CT, abdomen/pelvis. axial view. 56-year-old male patient
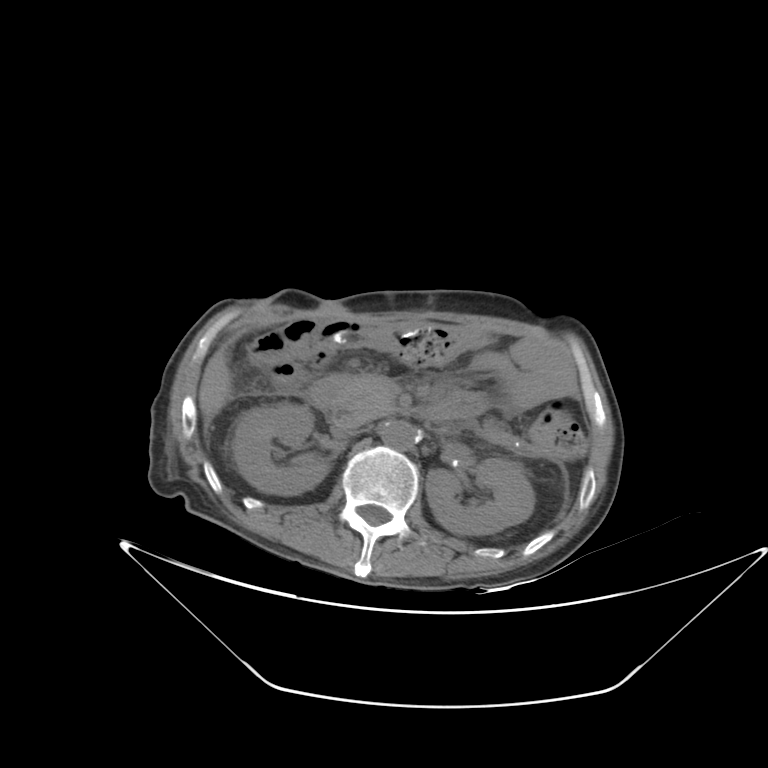
<organs><organ name="right kidney" x1="231" y1="402" x2="329" y2="495"/><organ name="left kidney" x1="426" y1="458" x2="534" y2="534"/><organ name="liver" x1="199" y1="349" x2="231" y2="419"/><organ name="aorta" x1="382" y1="421" x2="417" y2="450"/><organ name="inferior vena cava" x1="331" y1="423" x2="356" y2="437"/><organ name="pancreas" x1="330" y1="374" x2="395" y2="426"/><organ name="duodenum" x1="307" y1="377" x2="480" y2="423"/></organs>